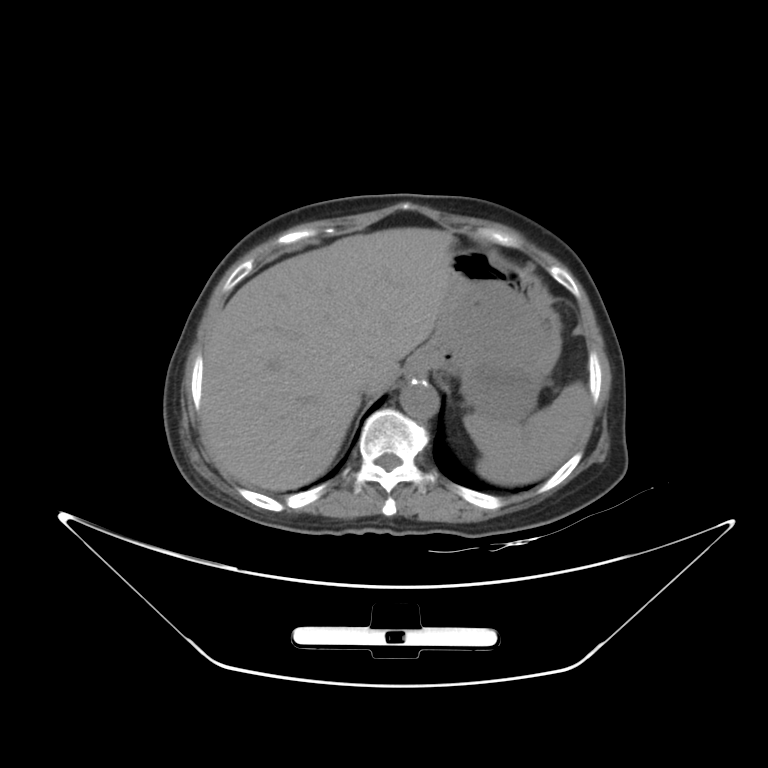
Abdominal CT · axial view · W/L 400/40 HU · 66-year-old female patient
<organs><organ name="spleen" x1="463" y1="382" x2="587" y2="484"/><organ name="esophagus" x1="405" y1="354" x2="424" y2="380"/><organ name="liver" x1="201" y1="227" x2="455" y2="490"/><organ name="stomach" x1="414" y1="246" x2="559" y2="419"/><organ name="aorta" x1="400" y1="380" x2="438" y2="419"/><organ name="inferior vena cava" x1="352" y1="373" x2="376" y2="393"/></organs>